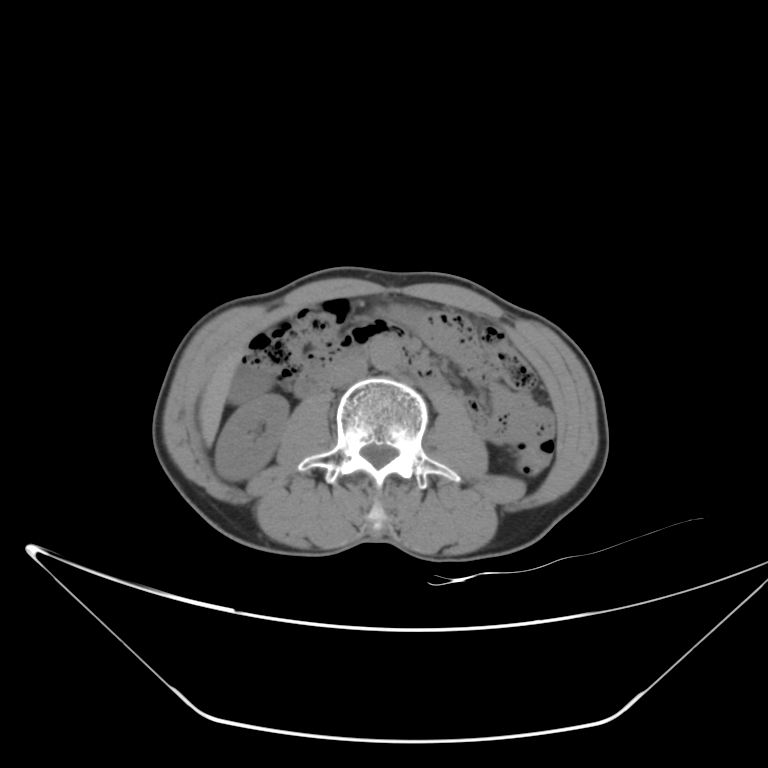

CT, abdomen/pelvis — Axial slice 59/81
Boxes are (x1, y1, x2, y2) in pixels. Labeled organs on this slice: duodenum at (294, 333, 452, 397), inferior vena cava at (329, 357, 368, 387), liver at (199, 347, 243, 443), aorta at (369, 341, 401, 371), right kidney at (215, 392, 287, 480), gall bladder at (229, 367, 269, 402).